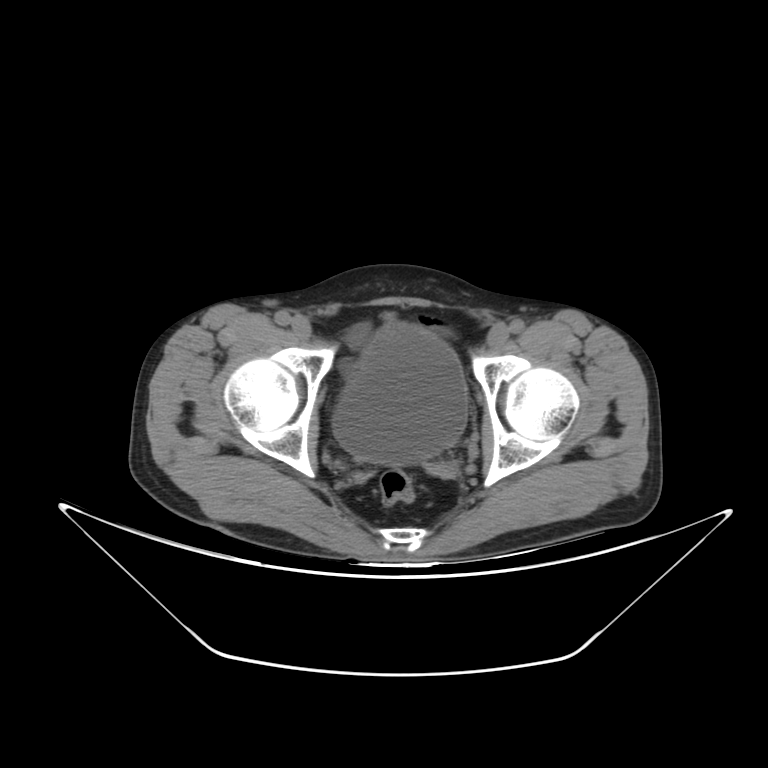

Abdominal CT. axial view. 52-year-old male patient
Boxes are (x1, y1, x2, y2) in pixels.
Organ bounding boxes:
- bladder: (333, 324, 467, 464)